CT abdomen. Axial slice 30/122. 512x512 px. acquired on Aquilion ONE
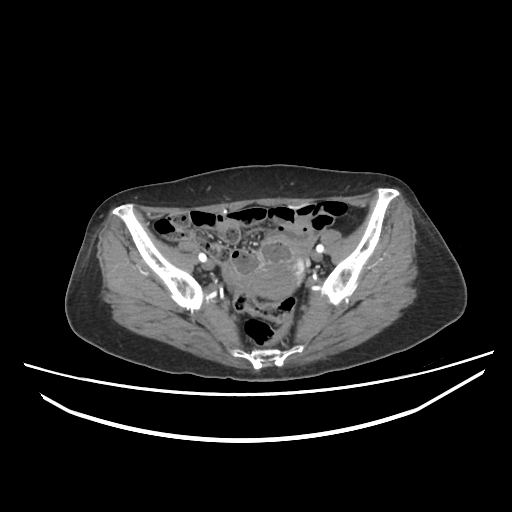 Boxes are (x1, y1, x2, y2) in pixels.
Organ bounding boxes:
- prostate/uterus: (249, 263, 294, 298)